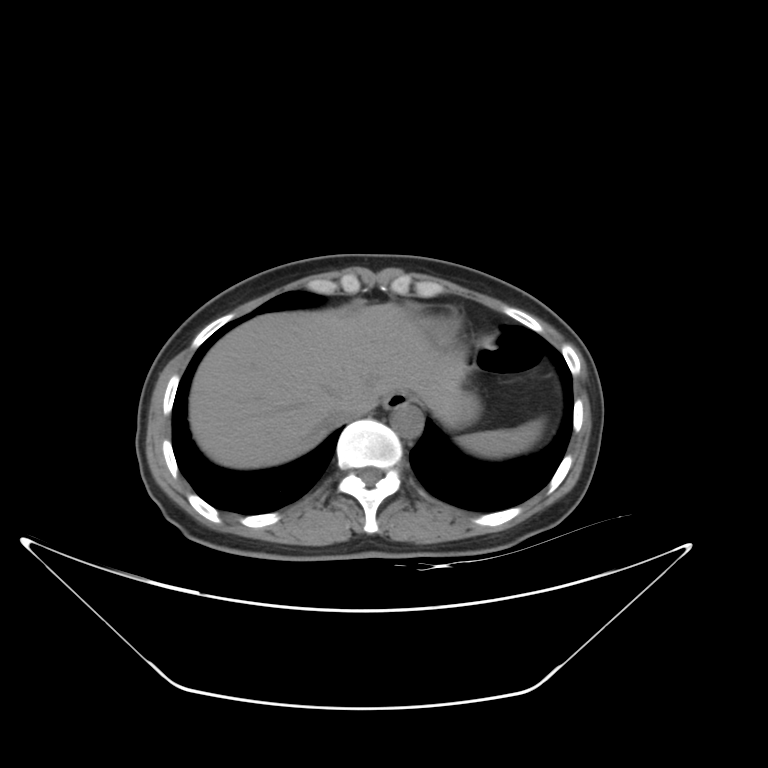
CT abdomen. Axial slice 88/99. 768x768 px. 43-year-old female patient
<organs><organ name="inferior vena cava" x1="324" y1="393" x2="375" y2="427"/><organ name="aorta" x1="390" y1="403" x2="422" y2="437"/><organ name="esophagus" x1="383" y1="390" x2="411" y2="409"/><organ name="stomach" x1="446" y1="392" x2="479" y2="427"/><organ name="liver" x1="189" y1="303" x2="467" y2="469"/><organ name="spleen" x1="457" y1="419" x2="543" y2="457"/></organs>